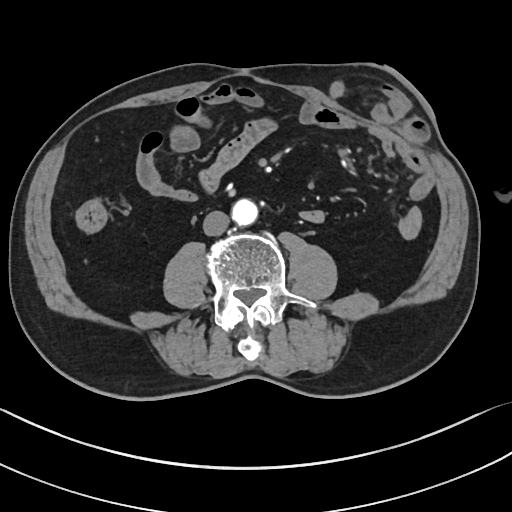 Computed tomography, abdomen · axial view · soft-tissue window (W 400 / L 40)
Bounding boxes as [x1, y1, x2, y2] in pixel coordinates.
Organ bounding boxes:
- inferior vena cava: [203, 211, 228, 236]
- aorta: [231, 199, 258, 225]